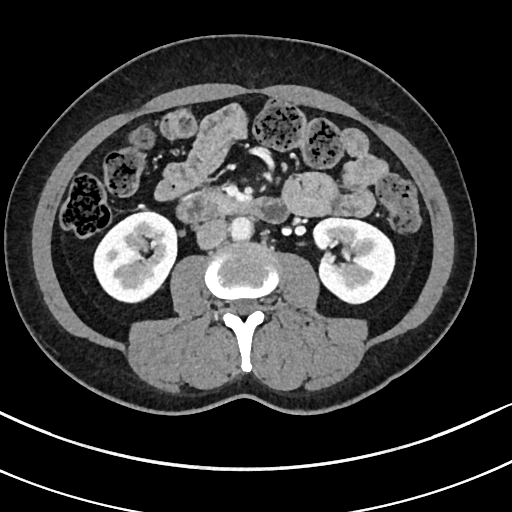

CT abdomen — axial view — soft-tissue window (W 400 / L 40) — 512x512 px
Bounding boxes as [x1, y1, x2, y2] in pixel coordinates. 6 labeled organs on this slice — right kidney at [94, 212, 176, 302]; duodenum at [177, 192, 288, 223]; pancreas at [208, 192, 224, 199]; aorta at [229, 216, 253, 240]; inferior vena cava at [196, 218, 228, 249]; left kidney at [313, 218, 394, 303].